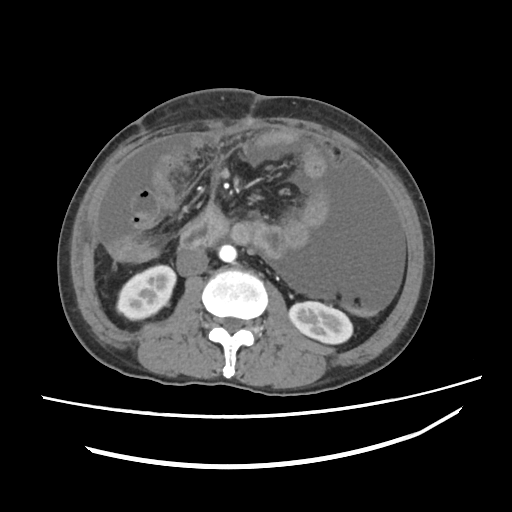
Computed tomography, abdomen · axial view · W/L 400/40 HU · 512x512 px · 50-year-old male patient · scan has 15 labeled organs (that count is for the whole scan; organs this slice misses have no box)
Each box given as x1,y1,x2,y2.
Organ bounding boxes:
- right kidney: x1=117, y1=265, x2=175, y2=320
- left kidney: x1=289, y1=301, x2=353, y2=344
- aorta: x1=218, y1=244, x2=236, y2=262
- inferior vena cava: x1=175, y1=249, x2=208, y2=275
- duodenum: x1=179, y1=205, x2=250, y2=247